CT, abdomen/pelvis — axial view — soft-tissue window — 768x768 px — 55-year-old male patient
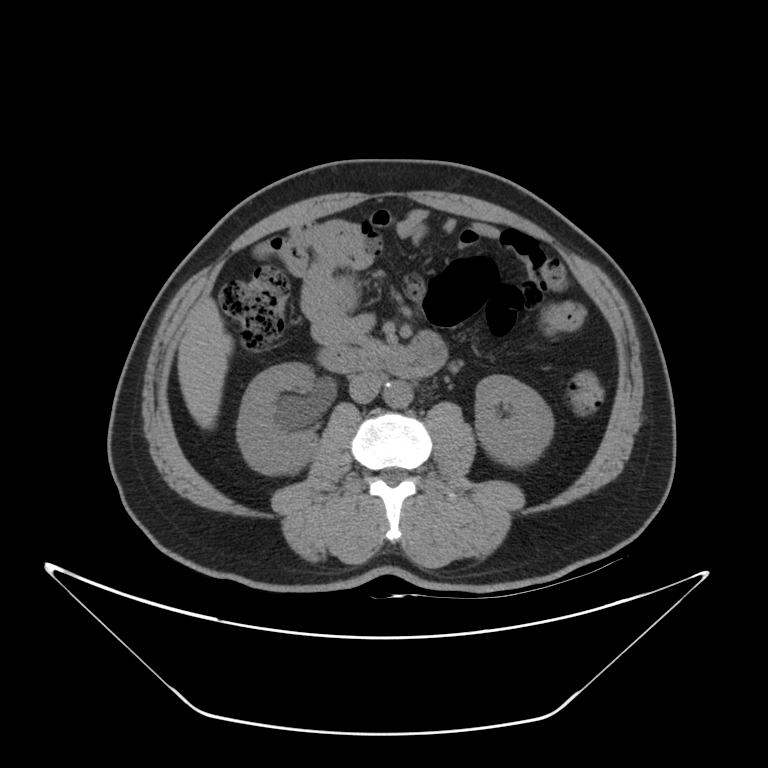 Boxes are (x1, y1, x2, y2) in pixels.
right kidney: (237, 363, 318, 474)
left kidney: (475, 375, 553, 465)
liver: (177, 297, 232, 428)
aorta: (384, 380, 412, 407)
inferior vena cava: (349, 373, 382, 402)
pancreas: (359, 338, 393, 356)
duodenum: (318, 332, 447, 378)